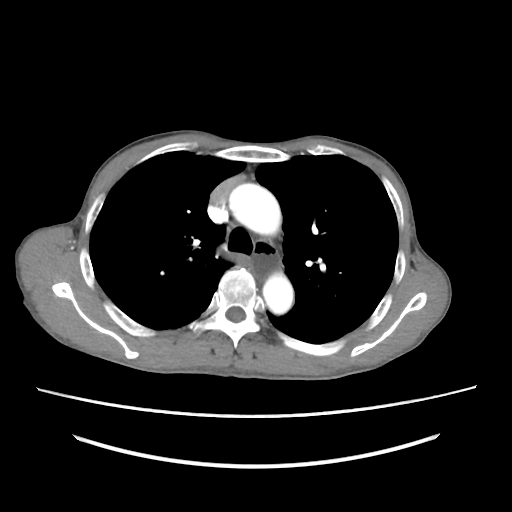

CT of the abdomen extending into the chest, slice through the chest; axial view; 512x512 px
At this level of the chest this dataset labels only the esophagus and the aorta, and each is boxed only where it is labeled; the heart and lungs are never labeled.
Coordinates as <box>x1,y1,x2,y2</box> in pixels.
Organ bounding boxes:
- esophagus: <box>253,241,278,278</box>
- aorta: <box>229,183,281,235</box>
- aorta: <box>262,272,293,314</box>